CT abdomen. Axial slice 192/212. abdomen soft-tissue window. SOMATOM Force scanner
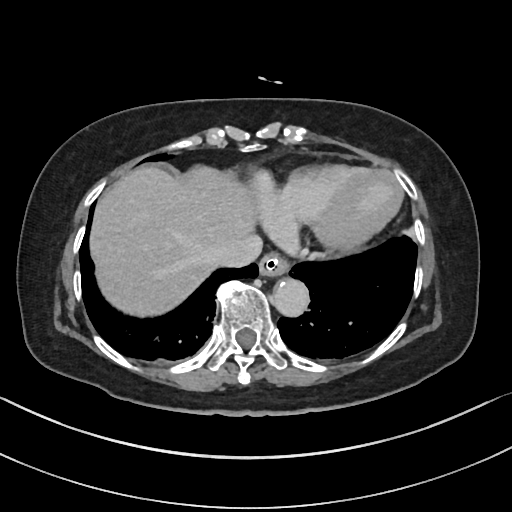 Boxes: x1 y1 x2 y2 (pixel coords, space-separated). Labeled organs on this slice: esophagus at 259 250 291 275, liver at 89 166 259 315, aorta at 272 276 309 315, inferior vena cava at 213 235 262 266.